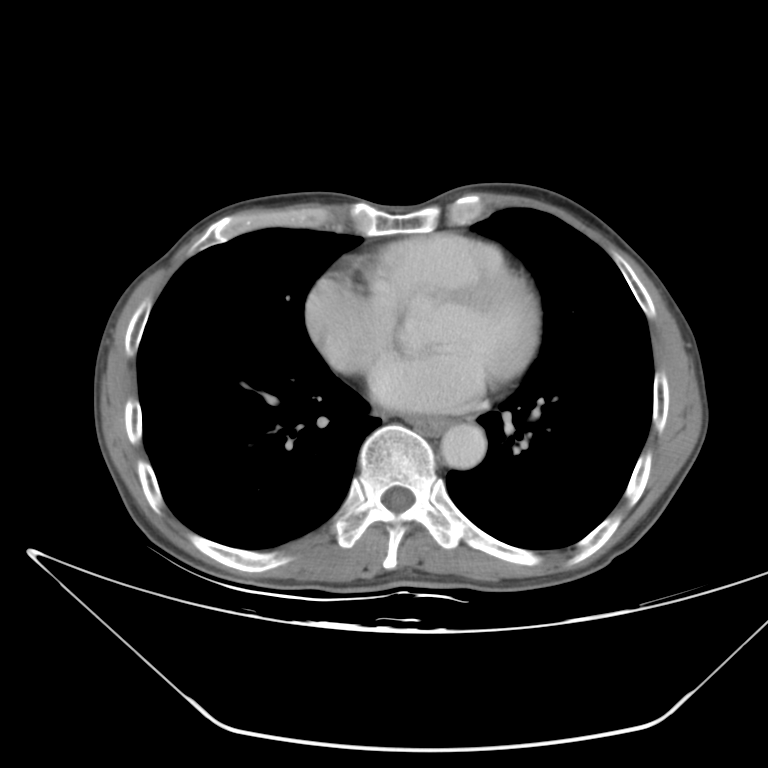

Abdominal CT; this slice is in the lower chest, just above the liver; axial plane, index 65; soft-tissue window, W/L 400/40; Brilliance16 scanner; 13 organs annotated in this scan (that count is for the whole scan; organs this slice misses have no box)
The heart and lungs are never labeled in this dataset, so they have no box on this slice.
Bounding boxes in pixels, one row per box: x1, y1 is the top-left corner and x2, y2 the bottom-right.
| organ | x1 | y1 | x2 | y2 |
|---|---|---|---|---|
| esophagus | 406 | 418 | 450 | 435 |
| aorta | 441 | 423 | 485 | 467 |